Computed tomography, abdomen — axial view
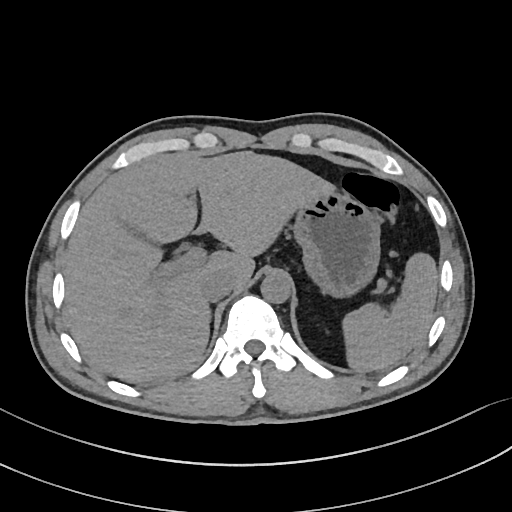

Bounding boxes in pixels, one row per box: x1, y1 is the top-left corner and x2, y2 the bottom-right.
| organ | x1 | y1 | x2 | y2 |
|---|---|---|---|---|
| aorta | 261 | 272 | 292 | 303 |
| stomach | 294 | 190 | 380 | 299 |
| liver | 64 | 151 | 339 | 382 |
| inferior vena cava | 201 | 271 | 233 | 302 |
| spleen | 342 | 251 | 438 | 372 |